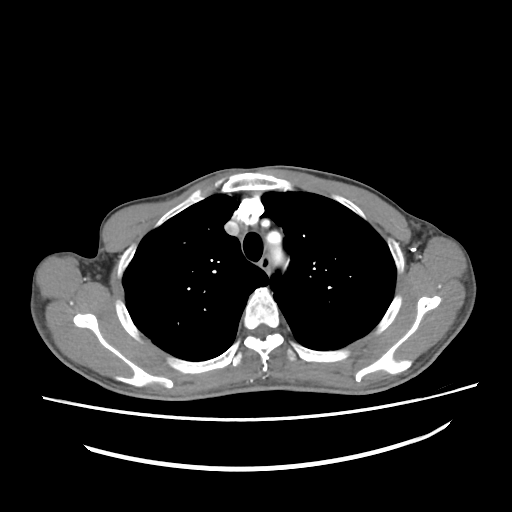

Abdominal CT reaching into the chest; this slice is in the chest; axial view; acquired on Aquilion ONE
On a slice this high in the chest, this dataset labels only the esophagus and the aorta, and each is boxed only where it is labeled; the heart, lungs and other chest structures are not labeled.
Coordinates as <box>x1,y1,x2,y2</box> in pixels.
esophagus: <box>259,256,270,271</box>
aorta: <box>272,246,283,263</box>